CT abdomen — axial view — 512x512 px
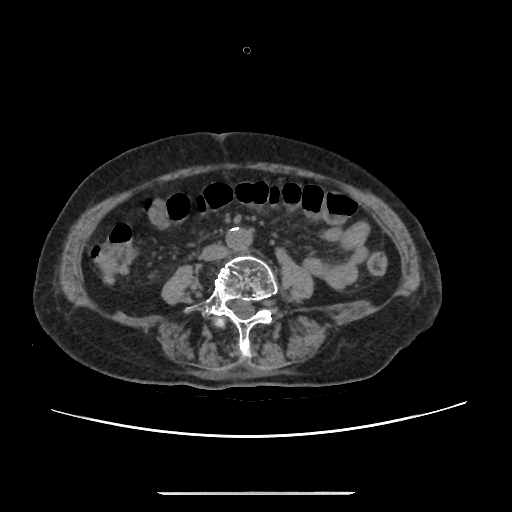

Box edges are left/top/right/bottom in pixels.
Organ bounding boxes:
- aorta: left=225, top=227, right=250, bottom=249
- inferior vena cava: left=200, top=244, right=225, bottom=259